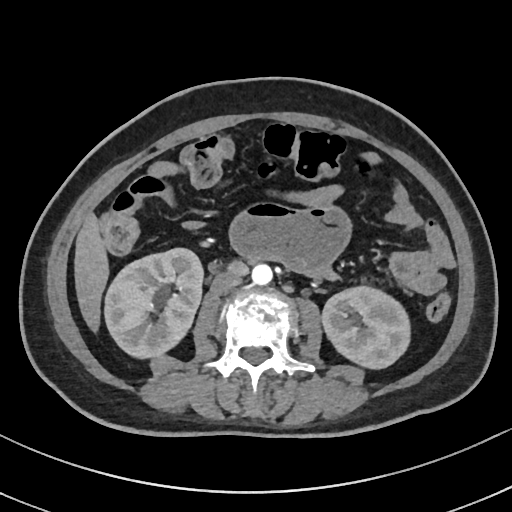

CT, abdomen/pelvis; Axial slice 107/191; 512x512 px
<organs><organ name="right kidney" x1="104" y1="248" x2="202" y2="358"/><organ name="left kidney" x1="322" y1="286" x2="410" y2="368"/><organ name="liver" x1="74" y1="214" x2="109" y2="331"/><organ name="aorta" x1="251" y1="264" x2="272" y2="285"/><organ name="inferior vena cava" x1="211" y1="272" x2="242" y2="294"/></organs>